CT, abdomen/pelvis — axial view — abdomen soft-tissue window
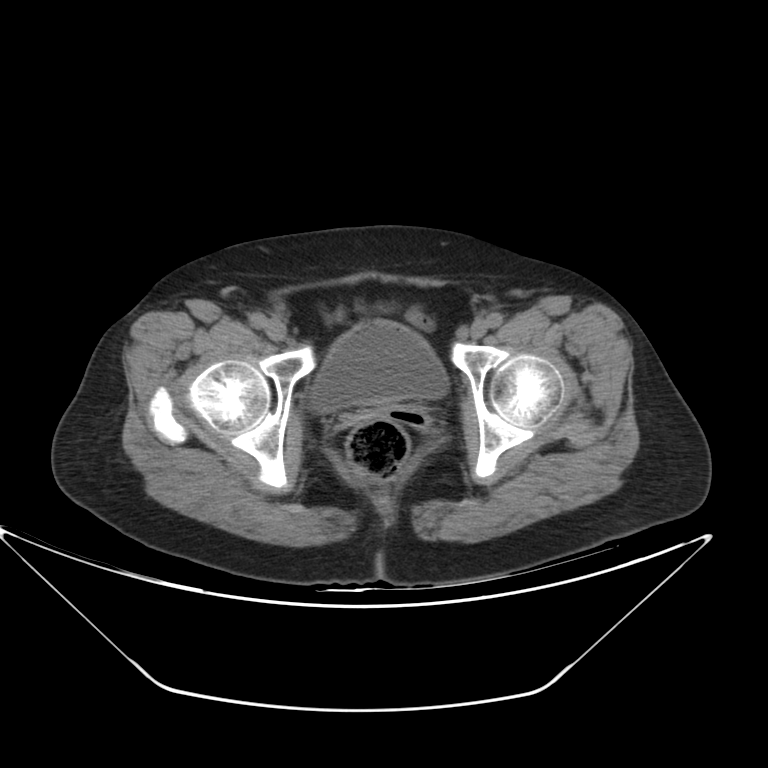

Organ boxes in pixel coordinates; each row gives the top-left (x1, y1) and bottom-right (x2, y2) corners.
| organ | x1 | y1 | x2 | y2 |
|---|---|---|---|---|
| bladder | 311 | 321 | 448 | 411 |